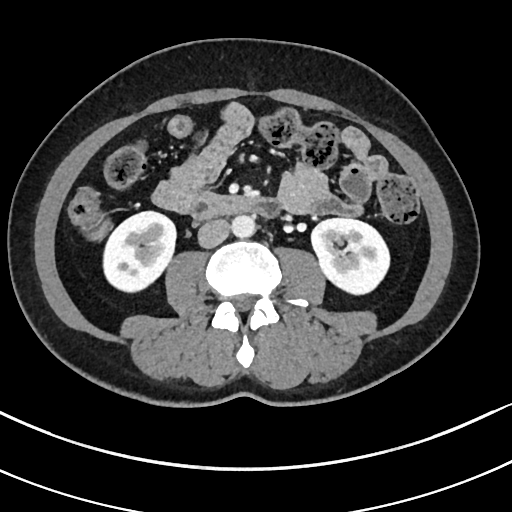
Abdominal CT. axial view. soft-tissue window
{"organs":{"left kidney":[311,218,389,294],"duodenum":[191,193,279,219],"inferior vena cava":[197,218,230,248],"aorta":[231,215,255,237],"right kidney":[103,211,176,291]}}